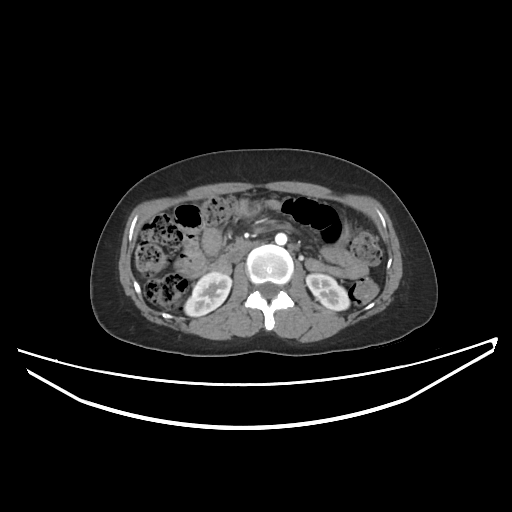

CT abdomen. axial view. W/L 400/40 HU. 37-year-old female patient. scan has 15 labeled organs (counted over the whole 3D scan, not this slice; an organ is boxed only where this slice passes through it)
Boxes are (x1, y1, x2, y2) in pixels.
right kidney: (184, 272, 231, 316)
left kidney: (306, 274, 349, 310)
aorta: (275, 233, 287, 245)
inferior vena cava: (231, 243, 255, 262)
duodenum: (210, 243, 241, 271)